Abdominal CT; this slice is in the lower chest, just above the liver — axial view — 15 organs annotated in this scan (counted over the whole 3D scan, not this slice; an organ is boxed only where this slice passes through it)
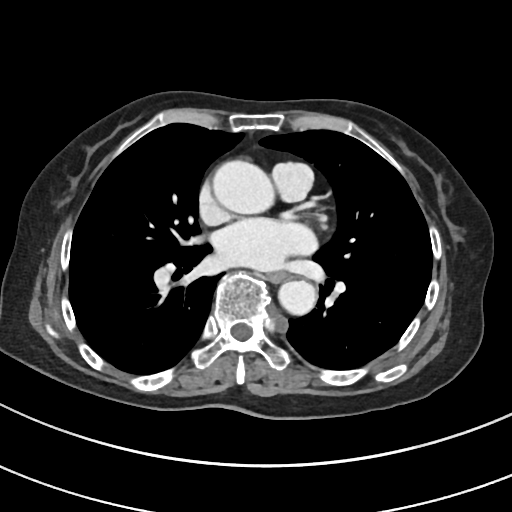

The heart and lungs are never labeled in this dataset, so they have no box on this slice.
Bounding boxes in pixels, one row per box: x1, y1 is the top-left corner and x2, y2 the bottom-right.
| organ | x1 | y1 | x2 | y2 |
|---|---|---|---|---|
| esophagus | 267 | 273 | 287 | 283 |
| aorta | 211 | 159 | 271 | 213 |
| aorta | 278 | 281 | 315 | 315 |